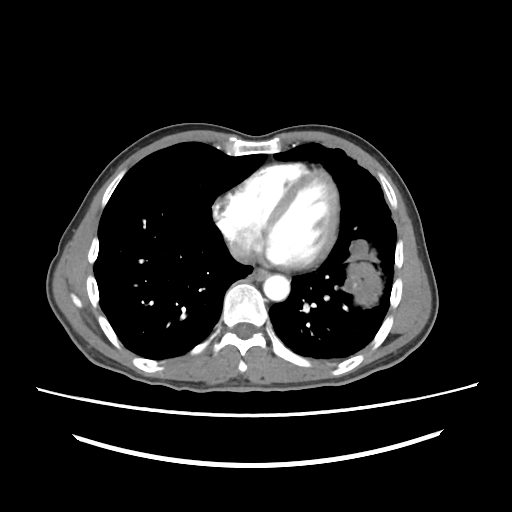 Abdominal CT; this slice is in the lower chest, just above the liver; axial view; soft-tissue window; 512x512 px; 13 organs annotated in this scan (a whole-scan count: organs this slice does not pass through have no box)
No part of the heart or lungs is labeled in this dataset, so neither has a box here.
Organ boxes in pixel coordinates; each row gives the top-left (x1, y1) and bottom-right (x2, y2) corners.
| organ | x1 | y1 | x2 | y2 |
|---|---|---|---|---|
| esophagus | 253 | 268 | 269 | 277 |
| aorta | 262 | 275 | 290 | 300 |
| inferior vena cava | 228 | 240 | 259 | 264 |